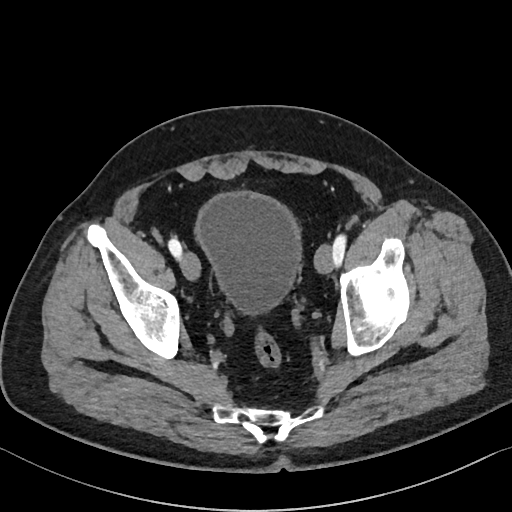
Computed tomography, abdomen; axial view; abdomen soft-tissue window; scan has 15 labeled organs (that count is for the whole scan; organs this slice misses have no box)
<organs><organ name="bladder" x1="196" y1="192" x2="299" y2="312"/></organs>